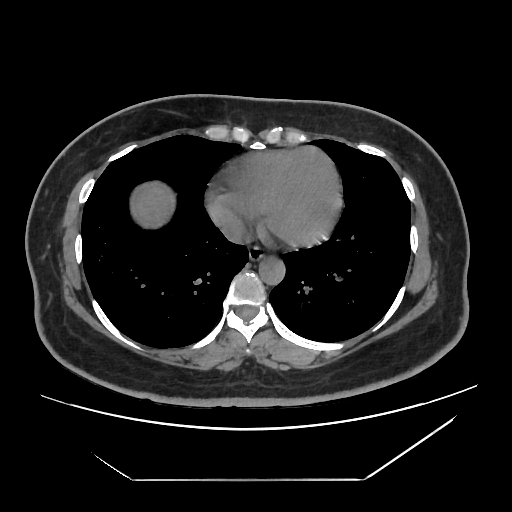 Computed tomography, abdomen. axial view
Bounding boxes in pixels, one row per box: x1, y1 is the top-left corner and x2, y2 the bottom-right.
| organ | x1 | y1 | x2 | y2 |
|---|---|---|---|---|
| esophagus | 249 | 246 | 264 | 261 |
| inferior vena cava | 223 | 221 | 249 | 243 |
| aorta | 258 | 257 | 285 | 284 |
| liver | 131 | 182 | 174 | 227 |